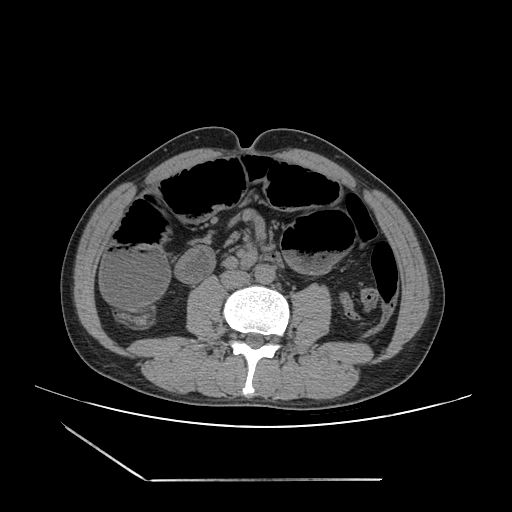
CT, abdomen/pelvis — axial plane, index 94 — soft-tissue window (W 400 / L 40) — scan has 15 labeled organs (that count is for the whole scan; organs this slice misses have no box)
Coordinates as <box>x1,y1,x2,y2</box> in pixels.
Organ bounding boxes:
- aorta: <box>254,264,274,284</box>
- inferior vena cava: <box>221,270,249,288</box>